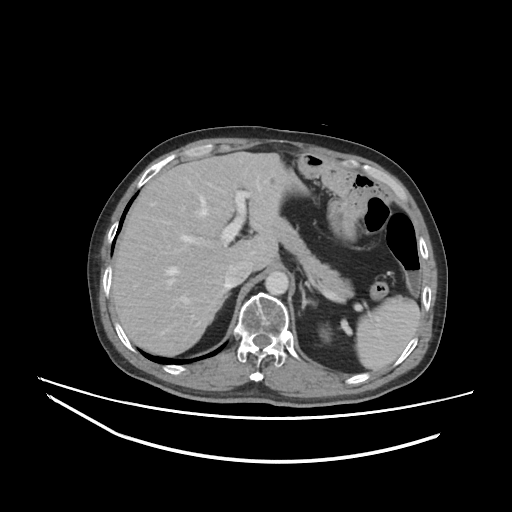 Abdominal CT. axial view. abdomen soft-tissue window. 54-year-old male patient
Boxes: x1 y1 x2 y2 (pixel coords, space-separated).
Organ bounding boxes:
- pancreas: 276 218 353 301
- aorta: 265 271 288 295
- right adrenal gland: 223 291 230 302
- left adrenal gland: 299 284 316 308
- inferior vena cava: 225 259 252 287
- liver: 111 151 308 356
- spleen: 356 296 420 370
- left kidney: 321 329 328 340